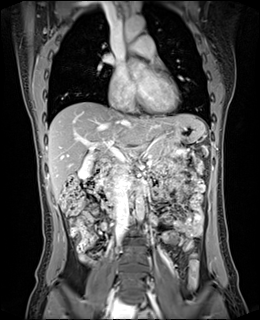
Magnetic resonance imaging, abdomen; coronal view; percentile-normalized; 260x320 px; acquired on Prisma
Box edges are left/top/right/bottom in pixels.
spleen: left=204, top=146, right=206, bottom=150
gall bladder: left=78, top=155, right=96, bottom=177
liver: left=47, top=102, right=204, bottom=197
stomach: left=168, top=119, right=203, bottom=143
aorta: left=122, top=16, right=144, bottom=56
aorta: left=136, top=193, right=144, bottom=221
aorta: left=129, top=63, right=146, bottom=73
inferior vena cava: left=113, top=170, right=129, bottom=239
pancreas: left=106, top=141, right=164, bottom=180
duodenum: left=94, top=162, right=115, bottom=196